Computed tomography, abdomen — axial view — abdomen soft-tissue window
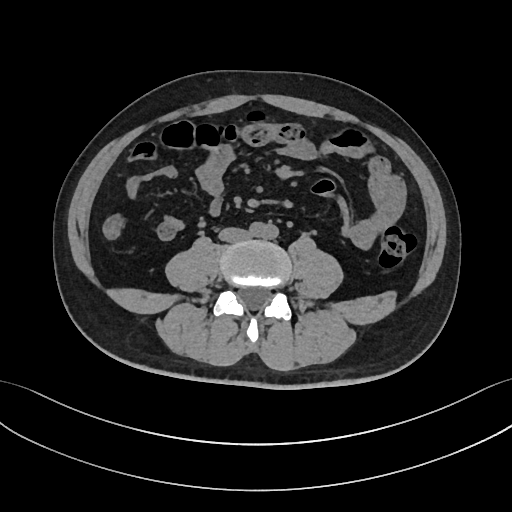 <organs><organ name="aorta" x1="250" y1="222" x2="277" y2="239"/><organ name="inferior vena cava" x1="219" y1="227" x2="249" y2="242"/></organs>